CT, abdomen/pelvis. axial view. abdomen soft-tissue window. 55-year-old male patient. acquired on Aquilion ONE
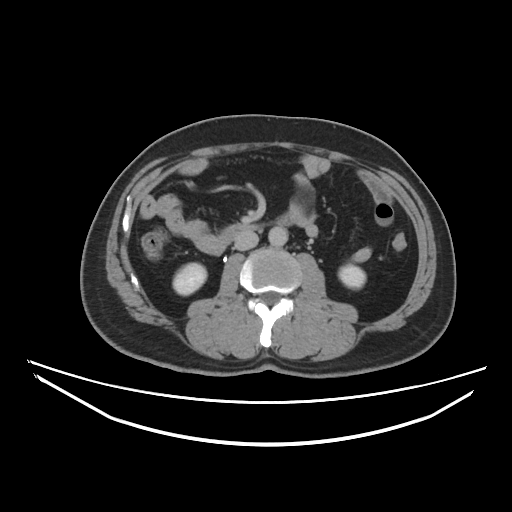 {"organs":{"right kidney":[173,261,206,294],"left kidney":[338,263,366,288],"aorta":[268,226,287,246],"inferior vena cava":[234,230,258,249],"duodenum":[220,213,298,246]}}